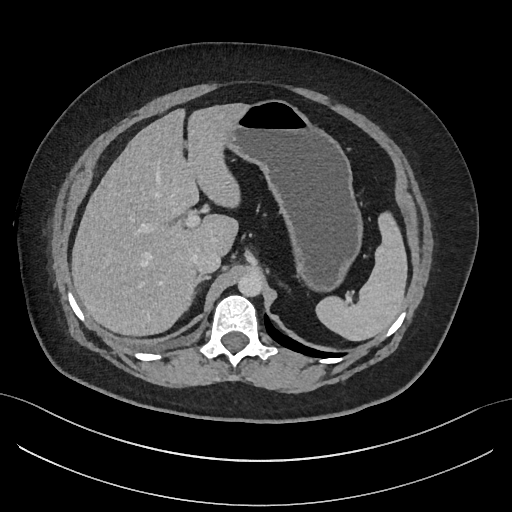 Abdominal CT. axial plane, index 170. W/L 400/40 HU
<organs><organ name="spleen" x1="316" y1="214" x2="406" y2="340"/><organ name="liver" x1="71" y1="103" x2="246" y2="336"/><organ name="stomach" x1="223" y1="100" x2="362" y2="290"/><organ name="aorta" x1="237" y1="272" x2="262" y2="297"/><organ name="inferior vena cava" x1="193" y1="248" x2="221" y2="274"/><organ name="right adrenal gland" x1="197" y1="275" x2="209" y2="283"/></organs>